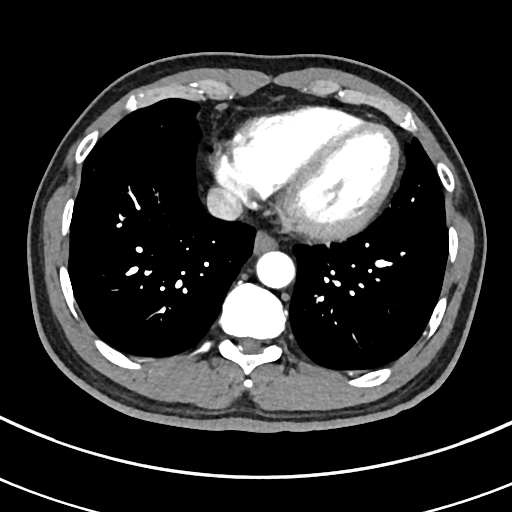 Lower-chest slice from an abdominal CT, just above the liver and spleen; axial view; soft-tissue window (W 400 / L 40); 512x512 px
The heart and lungs are never labeled in this dataset, so they have no box on this slice.
Boxes: x1:y1:x2:y2 in pixels.
Organ bounding boxes:
- esophagus: 254:228:278:251
- aorta: 255:250:294:288
- inferior vena cava: 206:187:242:220